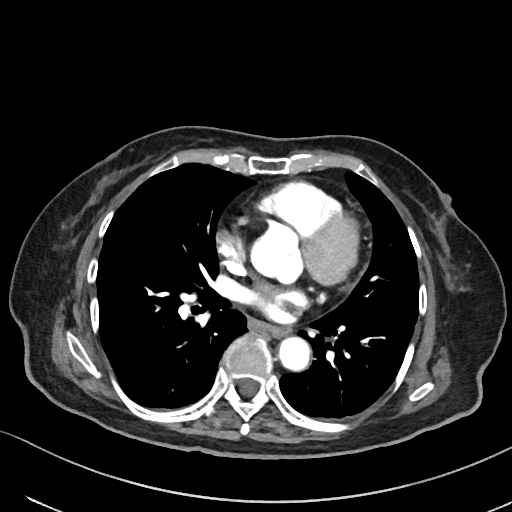 Abdominal CT; this slice is in the lower chest, just above the liver — axial view — SOMATOM Force scanner
No part of the heart or lungs is labeled in this dataset, so neither has a box here.
Boxes: x1:y1:x2:y2 in pixels.
esophagus: 246:318:284:335
aorta: 278:336:310:369